MRI, abdomen — coronal view — acquired on Prisma — 13 organs annotated in this scan (a whole-scan count: organs this slice does not pass through have no box)
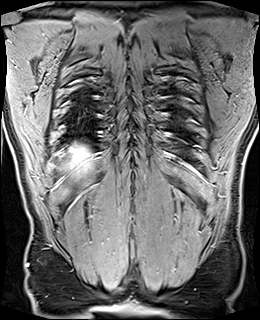
<organs><organ name="liver" x1="66" y1="145" x2="91" y2="173"/></organs>